Abdominal CT. axial view. abdomen soft-tissue window. acquired on SOMATOM Force
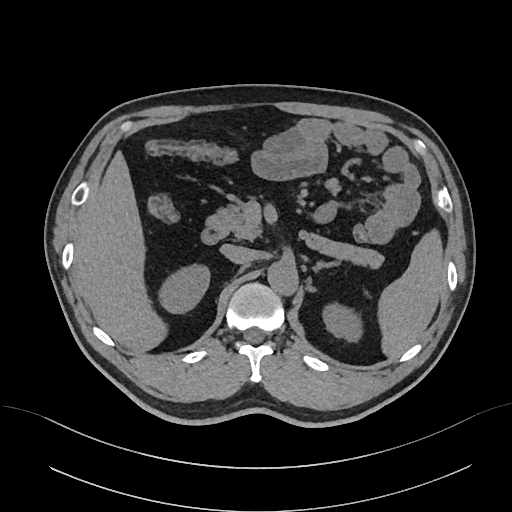
<organs><organ name="spleen" x1="381" y1="232" x2="443" y2="355"/><organ name="right kidney" x1="159" y1="262" x2="210" y2="313"/><organ name="left kidney" x1="321" y1="303" x2="362" y2="342"/><organ name="liver" x1="73" y1="152" x2="162" y2="350"/><organ name="aorta" x1="267" y1="260" x2="297" y2="293"/><organ name="inferior vena cava" x1="220" y1="244" x2="253" y2="263"/><organ name="pancreas" x1="206" y1="204" x2="383" y2="266"/><organ name="left adrenal gland" x1="314" y1="260" x2="335" y2="268"/><organ name="duodenum" x1="201" y1="228" x2="223" y2="244"/></organs>